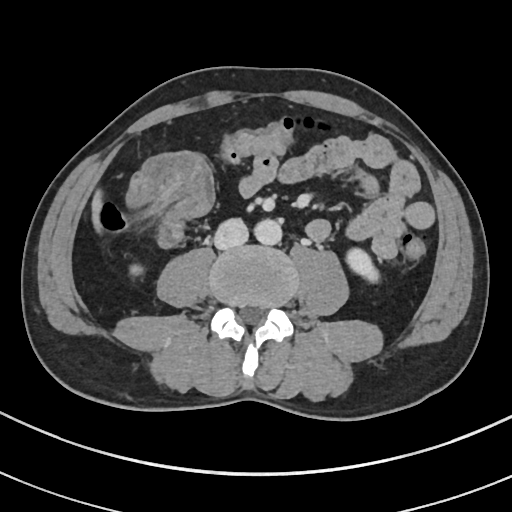 CT, abdomen/pelvis. axial view. soft-tissue window
Organ boxes in pixel coordinates; each row gives the top-left (x1, y1) and bottom-right (x2, y2) corners.
| organ | x1 | y1 | x2 | y2 |
|---|---|---|---|---|
| left kidney | 346 | 248 | 379 | 282 |
| liver | 91 | 190 | 102 | 229 |
| aorta | 254 | 219 | 282 | 244 |
| right kidney | 130 | 265 | 142 | 275 |
| inferior vena cava | 214 | 218 | 248 | 249 |